CT, abdomen/pelvis · axial view
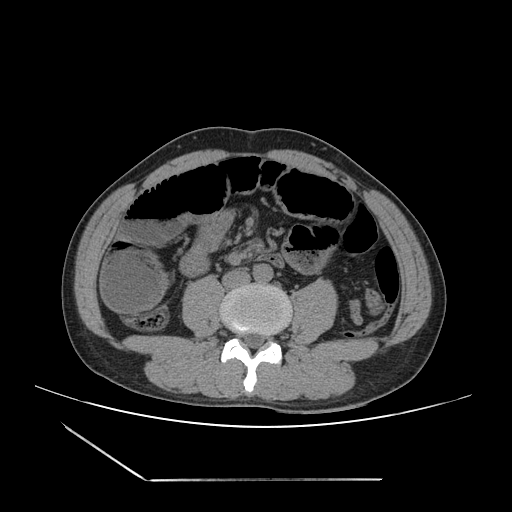 Boxes: x1 y1 x2 y2 (pixel coords, space-separated).
inferior vena cava: 222 269 250 288
aorta: 253 264 273 283